Abdominal CT — axial view — W/L 400/40 HU
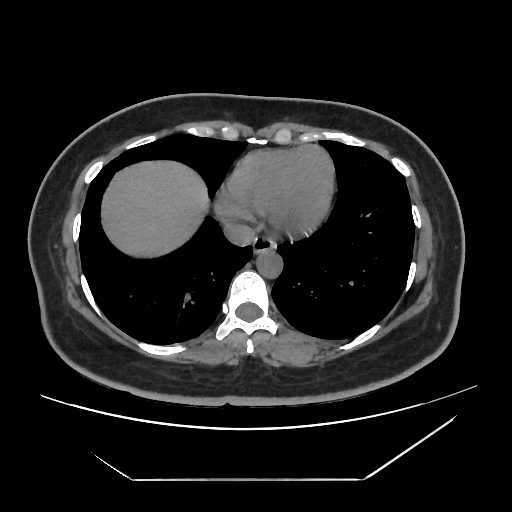
<organs><organ name="liver" x1="100" y1="159" x2="209" y2="257"/><organ name="esophagus" x1="253" y1="236" x2="275" y2="253"/><organ name="aorta" x1="256" y1="249" x2="282" y2="277"/><organ name="inferior vena cava" x1="223" y1="221" x2="256" y2="246"/></organs>